Abdominal CT. Axial slice 181/207. 512x512 px. acquired on SOMATOM Force
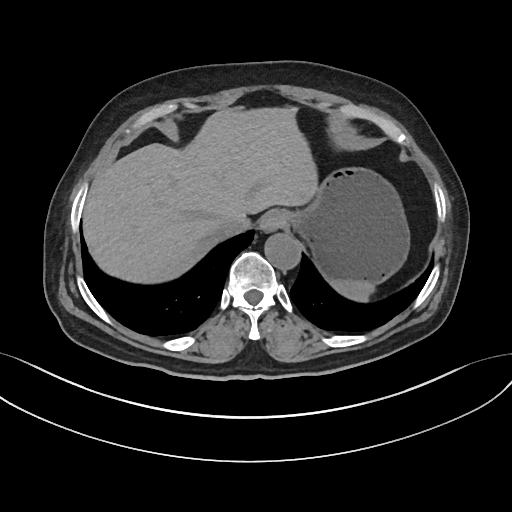
<organs><organ name="spleen" x1="332" y1="281" x2="374" y2="301"/><organ name="esophagus" x1="259" y1="210" x2="288" y2="232"/><organ name="liver" x1="83" y1="107" x2="317" y2="283"/><organ name="stomach" x1="288" y1="167" x2="409" y2="283"/><organ name="aorta" x1="265" y1="233" x2="300" y2="270"/><organ name="inferior vena cava" x1="217" y1="213" x2="249" y2="236"/></organs>